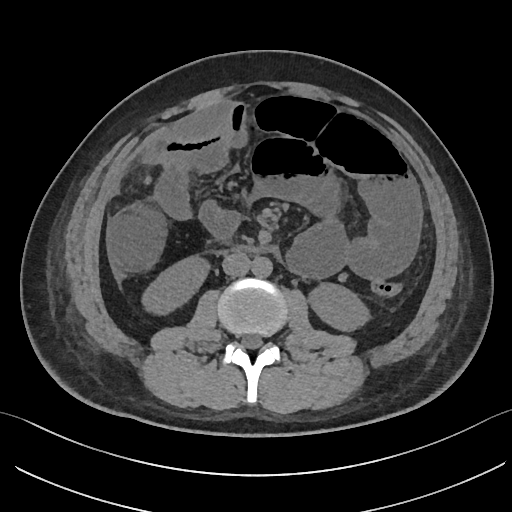
CT abdomen · axial plane, index 129 · 512x512 px · scan has 15 labeled organs (counted over the whole 3D scan, not this slice; an organ is boxed only where this slice passes through it)
<organs><organ name="right kidney" x1="140" y1="255" x2="211" y2="312"/><organ name="left kidney" x1="307" y1="283" x2="369" y2="331"/><organ name="duodenum" x1="230" y1="243" x2="257" y2="252"/><organ name="inferior vena cava" x1="222" y1="252" x2="250" y2="276"/><organ name="aorta" x1="252" y1="257" x2="273" y2="277"/></organs>